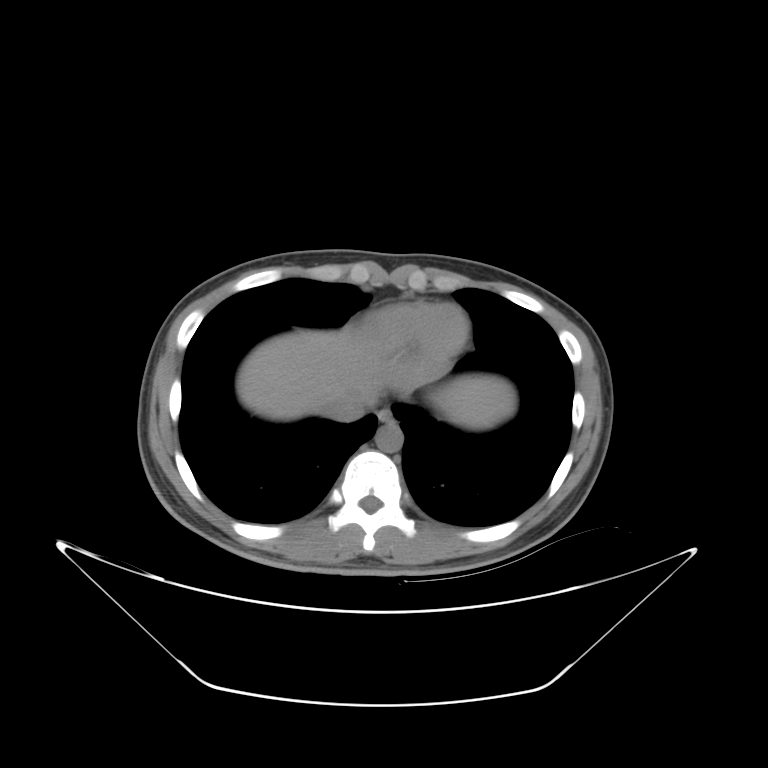
CT, abdomen/pelvis; axial view; soft-tissue window
Bounding boxes in pixels, one row per box: x1, y1 is the top-left corner and x2, y2 the bottom-right.
| organ | x1 | y1 | x2 | y2 |
|---|---|---|---|---|
| spleen | 434 | 378 | 515 | 426 |
| esophagus | 380 | 409 | 395 | 424 |
| liver | 237 | 326 | 379 | 422 |
| aorta | 375 | 425 | 401 | 452 |
| inferior vena cava | 331 | 399 | 367 | 422 |